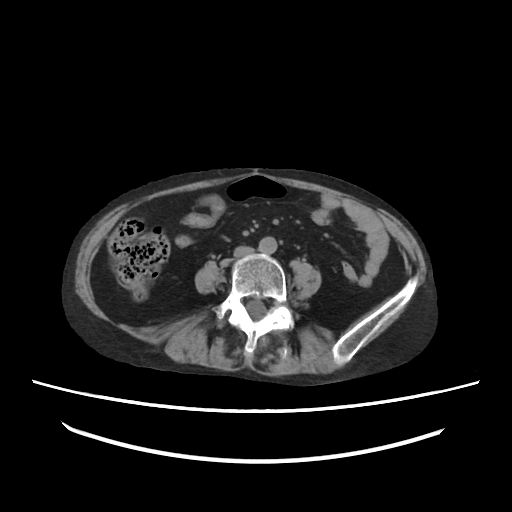 CT abdomen. Axial slice 42/89. soft-tissue window. 512x512 px. Aquilion ONE scanner
Each box given as x1,y1,x2,y2. Labeled organs on this slice: aorta at x1=259, y1=236, x2=277, y2=254, inferior vena cava at x1=233, y1=246, x2=254, y2=257.